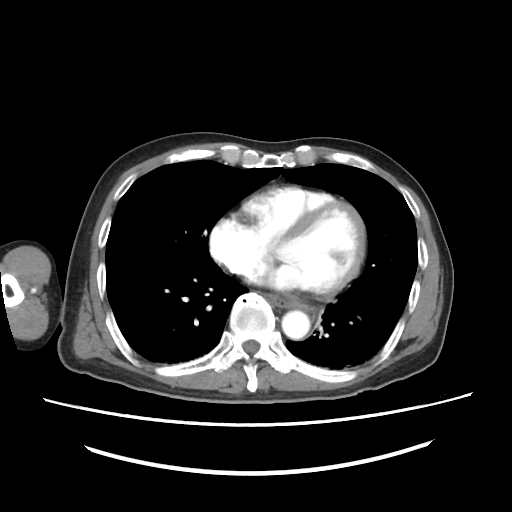
CT of the abdomen reaching into the lower chest, slice just above the liver and spleen — Axial slice 97/132 — soft-tissue window, W/L 400/40 — acquired on Aquilion ONE — scan has 14 labeled organs (counted over the whole 3D scan, not this slice; an organ is boxed only where this slice passes through it)
No part of the heart or lungs is labeled in this dataset, so neither has a box here.
Boxes: x1:y1:x2:y2 in pixels.
Organ bounding boxes:
- esophagus: 264:293:305:309
- aorta: 282:310:310:339